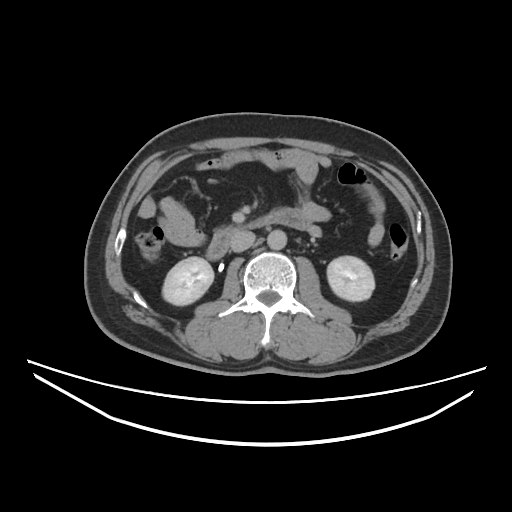 Abdominal CT; axial view; acquired on Aquilion ONE
{"organs":{"aorta":[267,229,287,249],"left kidney":[327,255,374,299],"duodenum":[206,207,310,258],"inferior vena cava":[229,229,254,251],"right kidney":[163,256,212,306]}}